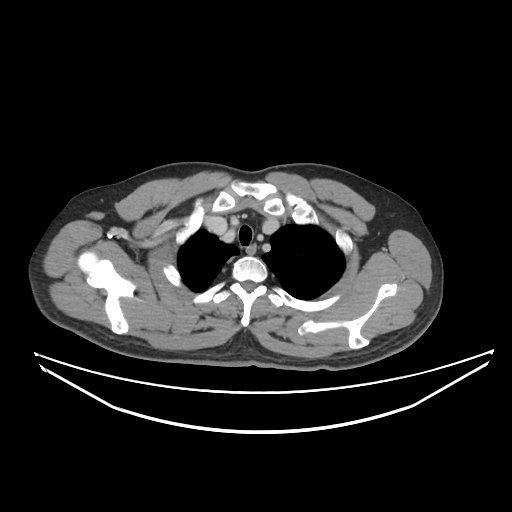
Chest-level slice from an abdominal CT that extends up into the chest; axial view; 40-year-old male patient; scan has 15 labeled organs (that count is for the whole scan; organs this slice misses have no box)
At this level of the chest no structure but the esophagus and the aorta has a label in this dataset, and those two are boxed only where they are labeled.
Bounding boxes as [x1, y1, x2, y2] in pixel coordinates.
Organ bounding boxes:
- esophagus: [246, 245, 256, 255]